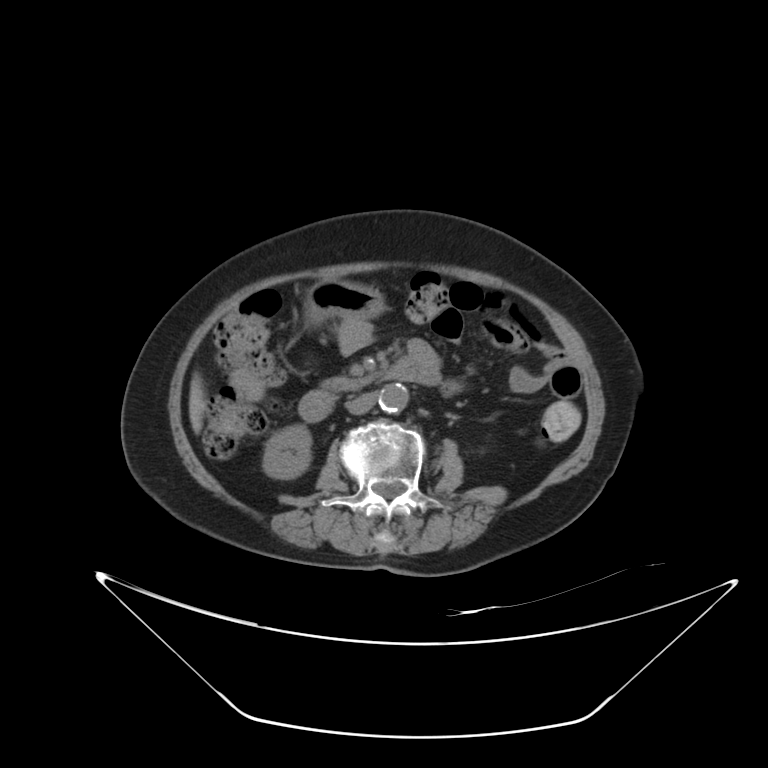 Abdominal CT. axial view. 768x768 px. scan has 15 labeled organs (a whole-scan count: organs this slice does not pass through have no box)
{"organs":{"right kidney":[262,425,311,478],"liver":[189,380,205,434],"stomach":[303,280,384,324],"aorta":[378,383,408,412],"inferior vena cava":[345,392,377,414],"pancreas":[321,376,372,391],"duodenum":[299,356,441,422]}}